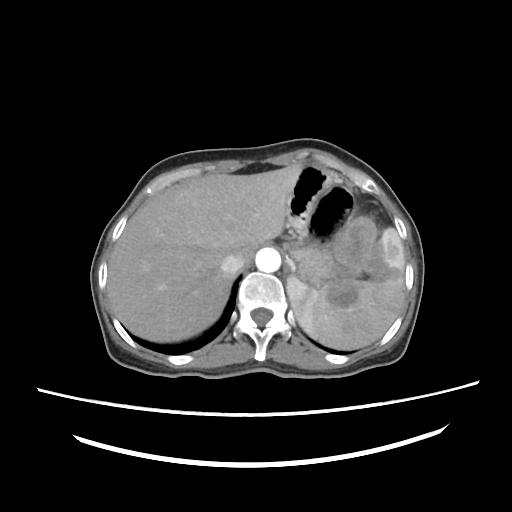

Computed tomography, abdomen; axial plane, index 69; soft-tissue window (W 400 / L 40); 512x512 px; 58-year-old female patient; scan has 15 labeled organs (counted over the whole 3D scan, not this slice; an organ is boxed only where this slice passes through it)
Boxes: x1:y1:x2:y2 in pixels. The annotated organs in this slice are: spleen at 285:226:404:350, aorta at 255:247:281:271, inferior vena cava at 220:253:244:273, liver at 107:165:302:341, stomach at 288:164:405:305.